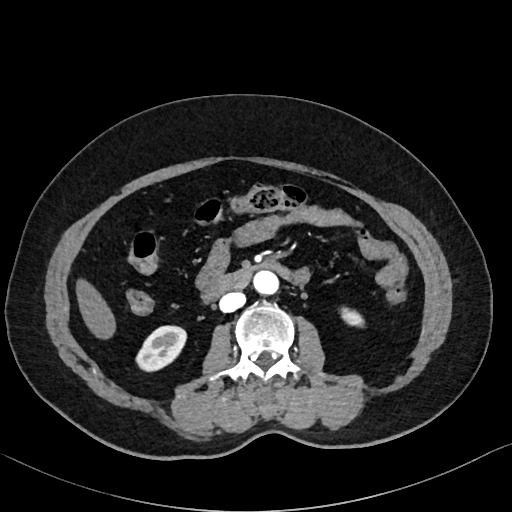
Computed tomography, abdomen. Axial slice 124/222. soft-tissue window (W 400 / L 40)
<organs><organ name="right kidney" x1="136" y1="326" x2="186" y2="371"/><organ name="left kidney" x1="341" y1="308" x2="363" y2="326"/><organ name="liver" x1="76" y1="279" x2="115" y2="339"/><organ name="aorta" x1="253" y1="271" x2="278" y2="294"/><organ name="inferior vena cava" x1="219" y1="292" x2="245" y2="312"/><organ name="duodenum" x1="201" y1="262" x2="291" y2="302"/></organs>